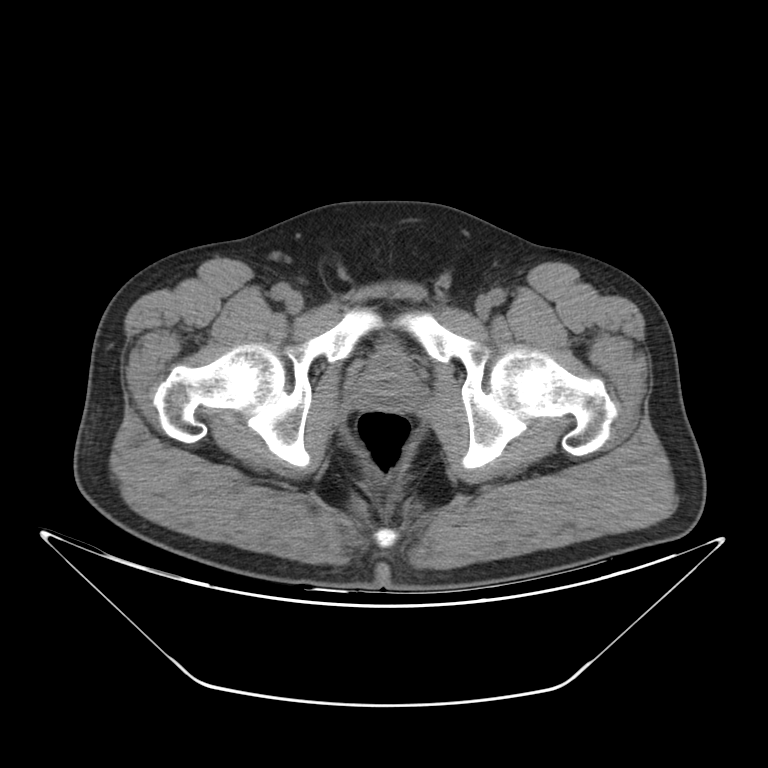 Abdominal CT; axial plane, index 22; soft-tissue window
<organs><organ name="prostate/uterus" x1="355" y1="359" x2="418" y2="409"/><organ name="bladder" x1="377" y1="347" x2="403" y2="360"/></organs>